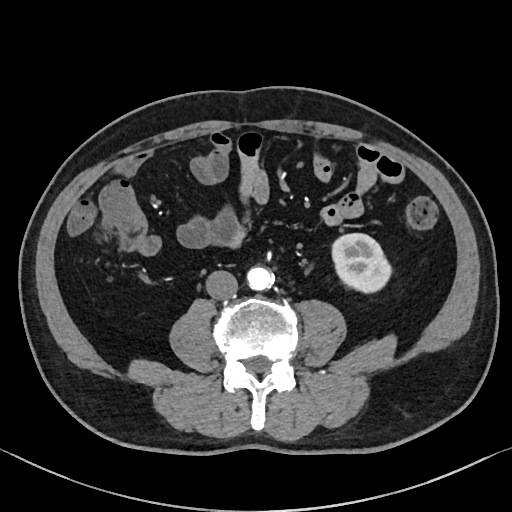

Abdominal CT. axial view. 512x512 px
{"organs":{"left kidney":[332,233,392,291],"aorta":[248,267,275,291],"inferior vena cava":[206,270,238,299]}}